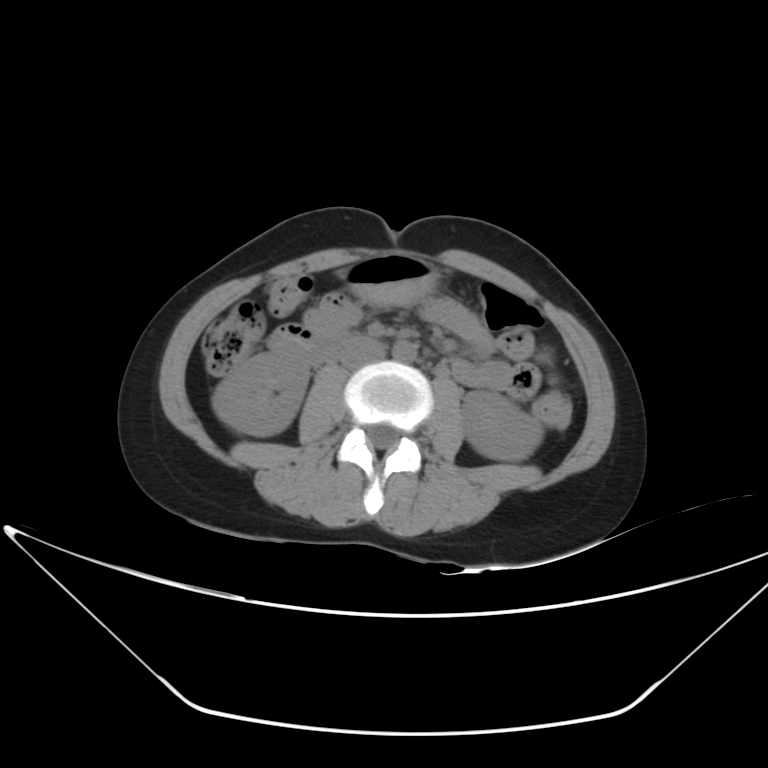 CT, abdomen/pelvis; axial view; 28-year-old female patient
<organs><organ name="right kidney" x1="212" y1="350" x2="309" y2="436"/><organ name="left kidney" x1="461" y1="391" x2="543" y2="460"/><organ name="stomach" x1="340" y1="252" x2="439" y2="304"/><organ name="aorta" x1="392" y1="340" x2="416" y2="362"/><organ name="inferior vena cava" x1="339" y1="339" x2="385" y2="368"/><organ name="duodenum" x1="269" y1="324" x2="352" y2="365"/></organs>